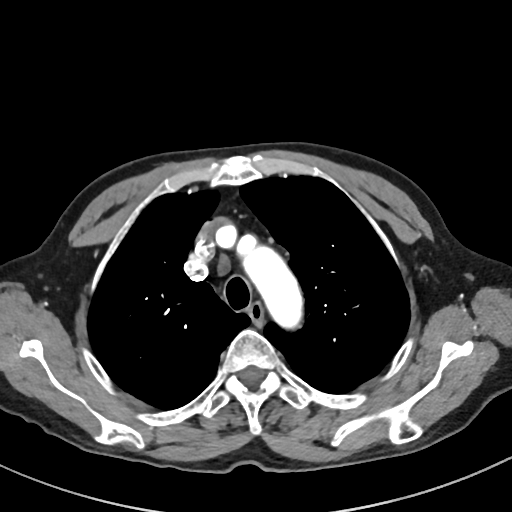 Chest-level slice from an abdominal CT that extends up into the chest — axial view — soft-tissue window — 15 organs annotated in this scan (a whole-scan count: organs this slice does not pass through have no box)
At this level of the chest no structure but the esophagus and the aorta has a label in this dataset, and those two are boxed only where they are labeled.
Boxes: x1:y1:x2:y2 in pixels.
aorta: 242:248:301:325
esophagus: 248:302:264:323